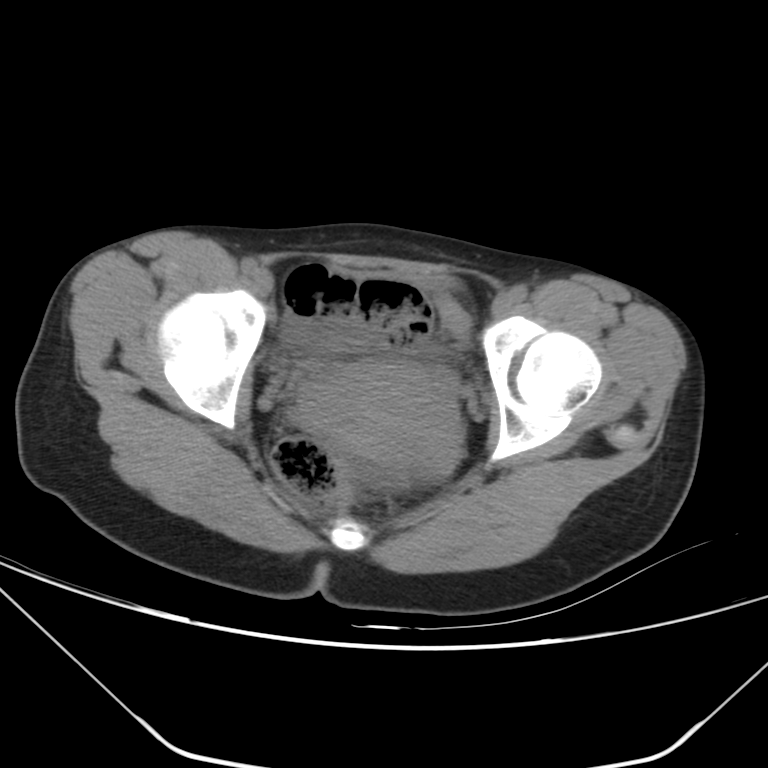
CT abdomen — Axial slice 9/68 — soft-tissue window — 768x768 px
Bounding boxes in pixels, one row per box: x1, y1 is the top-left corner and x2, y2 the bottom-right.
| organ | x1 | y1 | x2 | y2 |
|---|---|---|---|---|
| prostate/uterus | 297 | 359 | 464 | 474 |